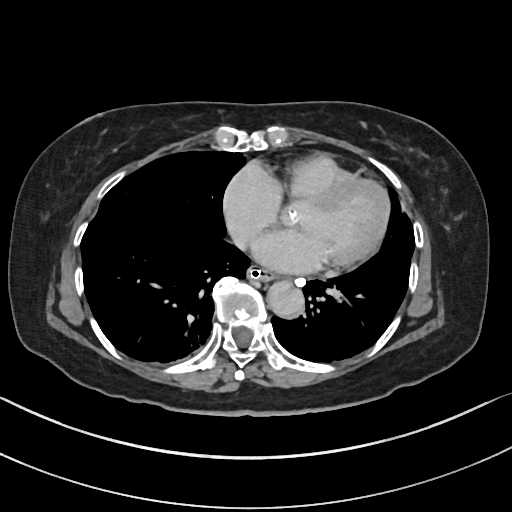
Lower-chest slice from an abdominal CT, just above the liver and spleen. axial view. soft-tissue window (W 400 / L 40). 15 organs annotated in this scan (counted over the whole 3D scan, not this slice; an organ is boxed only where this slice passes through it)
Of the structures in the chest, this dataset labels only the esophagus, the aorta and the inferior vena cava; the heart and lungs have no label.
Boxes: x1 y1 x2 y2 (pixel coords, space-separated).
esophagus: 247 267 275 281
aorta: 267 280 304 317